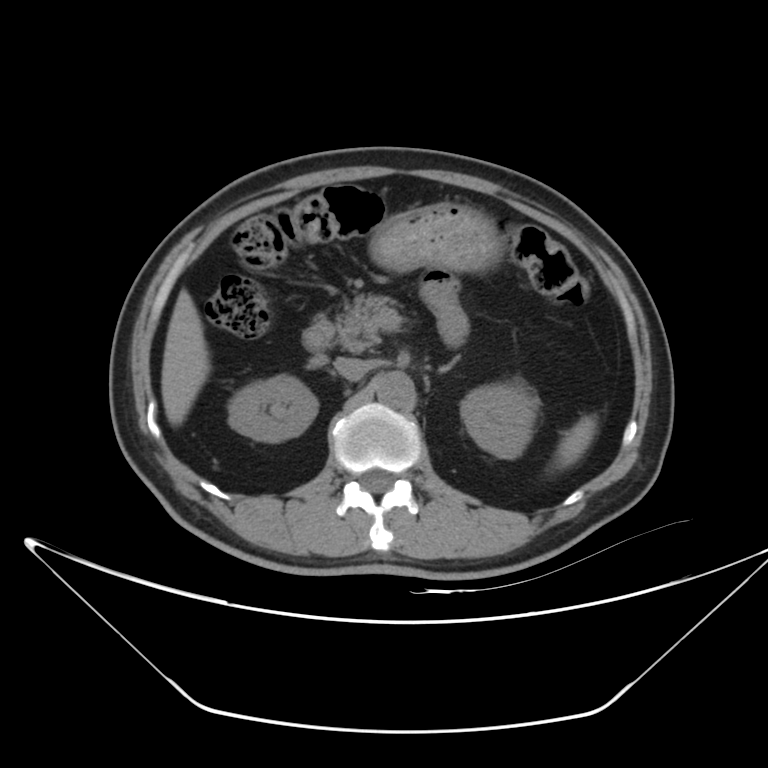 CT, abdomen/pelvis; axial view; acquired on Brilliance16
Box edges are left/top/right/bottom in pixels.
aorta: left=375, top=371, right=414, bottom=409
liver: left=162, top=289, right=209, bottom=426
right kidney: left=228, top=374, right=318, bottom=443
pancreas: left=330, top=293, right=397, bottom=352
inferior vena cava: left=334, top=357, right=369, bottom=380
left kidney: left=461, top=381, right=537, bottom=458
spleen: left=558, top=421, right=595, bottom=465
stomach: left=370, top=203, right=501, bottom=271
duodenum: left=302, top=319, right=333, bottom=352
left adrenal gland: left=441, top=358, right=457, bottom=370